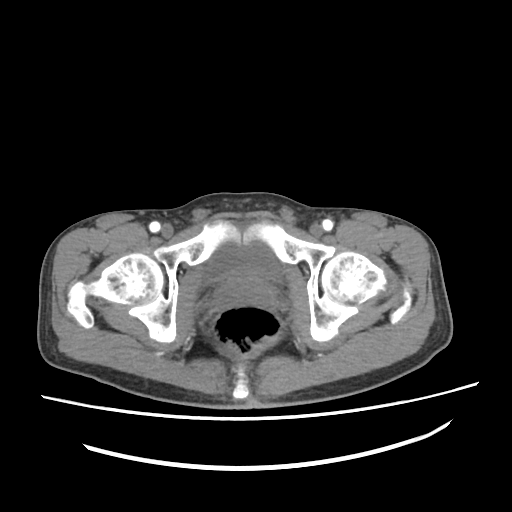

Computed tomography, abdomen — axial view — scan has 14 labeled organs (counted over the whole 3D scan, not this slice; an organ is boxed only where this slice passes through it)
{"organs":{"bladder":[203,240,284,283],"prostate/uterus":[222,272,267,297]}}